Computed tomography, abdomen. axial plane, index 69. 39-year-old female patient
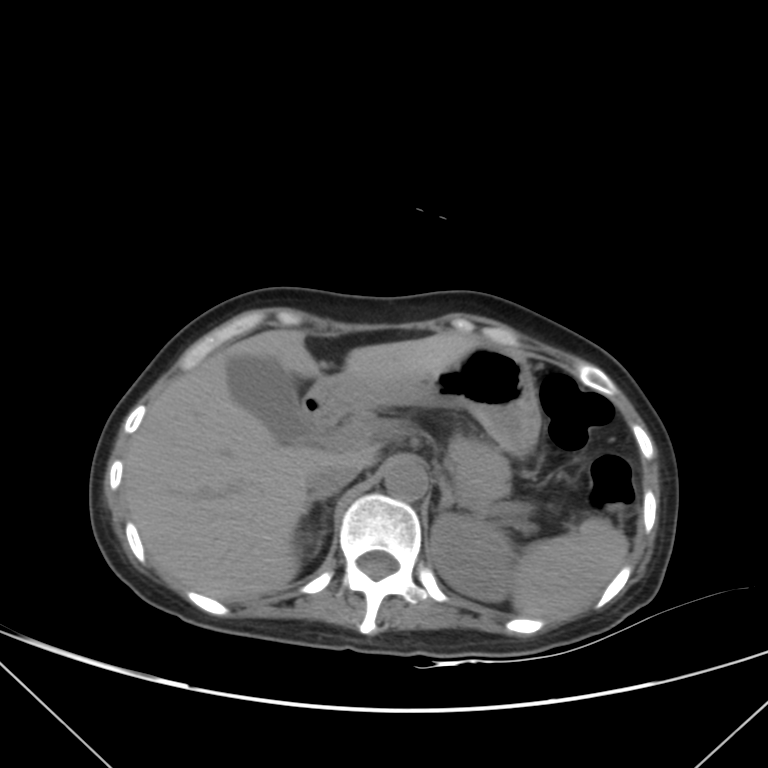

Coordinates as <box>x1,y1,x2,y2</box> in pixels.
Organ bounding boxes:
- inferior vena cava: <box>308,464,359,495</box>
- spleen: <box>513,518,628,620</box>
- pancreas: <box>448,435,510,504</box>
- aorta: <box>384,455,427,500</box>
- duodenum: <box>303,399,337,432</box>
- liver: <box>123,330,481,600</box>
- left kidney: <box>430,514,515,601</box>
- stomach: <box>304,345,540,456</box>
- gall bladder: <box>227,355,320,442</box>
- right adrenal gland: <box>306,496,329,513</box>
- left adrenal gland: <box>436,479,464,508</box>